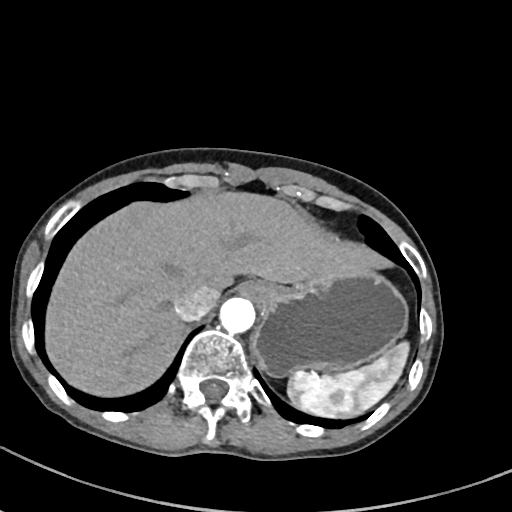 Abdominal CT; axial view; soft-tissue window (W 400 / L 40); scan has 15 labeled organs (counted over the whole 3D scan, not this slice; an organ is boxed only where this slice passes through it)
Box edges are left/top/right/bottom in pixels.
Organ bounding boxes:
- spleen: left=288, top=342, right=410, bottom=418
- esophagus: left=241, top=282, right=270, bottom=299
- liver: left=44, top=191, right=392, bottom=398
- stomach: left=252, top=269, right=407, bottom=375
- aorta: left=220, top=297, right=255, bottom=333
- inferior vena cava: left=176, top=284, right=219, bottom=321